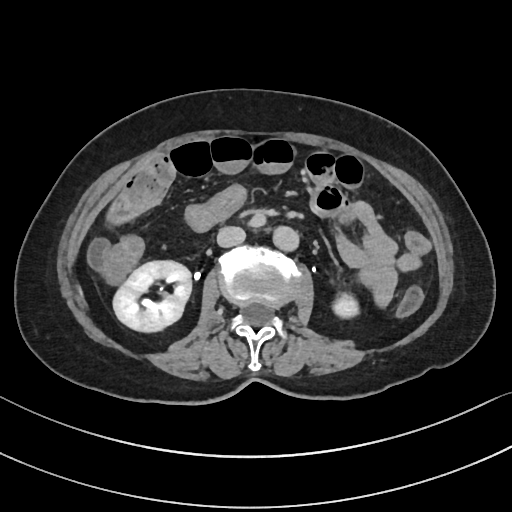
CT abdomen; axial plane, index 124; soft-tissue window (W 400 / L 40); acquired on SOMATOM Force
Each box given as x1,y1,x2,y2.
left kidney: x1=333, y1=293, x2=359, y2=316
right kidney: x1=114, y1=260, x2=191, y2=330
aorta: x1=272, y1=224, x2=297, y2=249
inferior vena cava: x1=216, y1=226, x2=245, y2=246